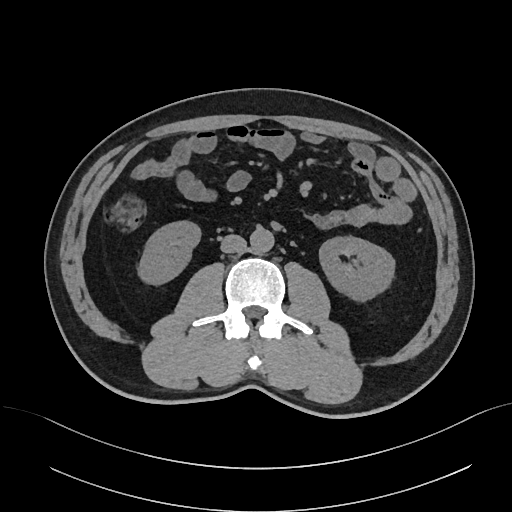

CT, abdomen/pelvis — axial view
Boxes: x1:y1:x2:y2 in pixels.
right kidney: 138:221:200:284
left kidney: 319:236:394:301
aorta: 250:227:274:253
inferior vena cava: 220:234:246:253